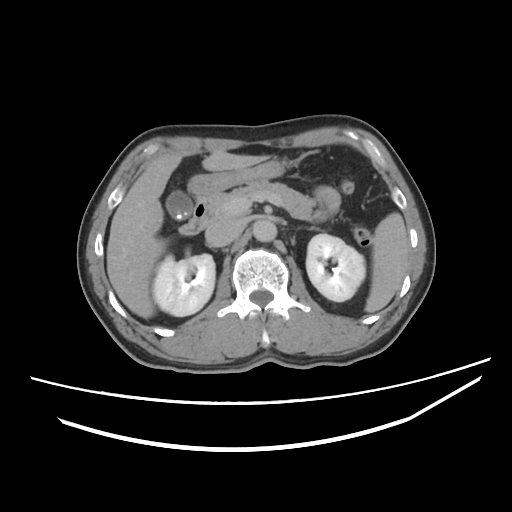 Abdominal CT · Axial slice 77/104 · 512x512 px · 58-year-old male patient
Bounding boxes as [x1, y1, x2, y2] in pixel coordinates.
Organ bounding boxes:
- spleen: [365, 213, 408, 313]
- right kidney: [153, 254, 215, 316]
- left kidney: [305, 232, 364, 300]
- gall bladder: [166, 190, 192, 220]
- liver: [106, 152, 266, 318]
- stomach: [188, 161, 284, 196]
- aorta: [252, 220, 277, 241]
- inferior vena cava: [205, 220, 242, 247]
- pancreas: [209, 180, 316, 217]
- duodenum: [179, 196, 219, 234]